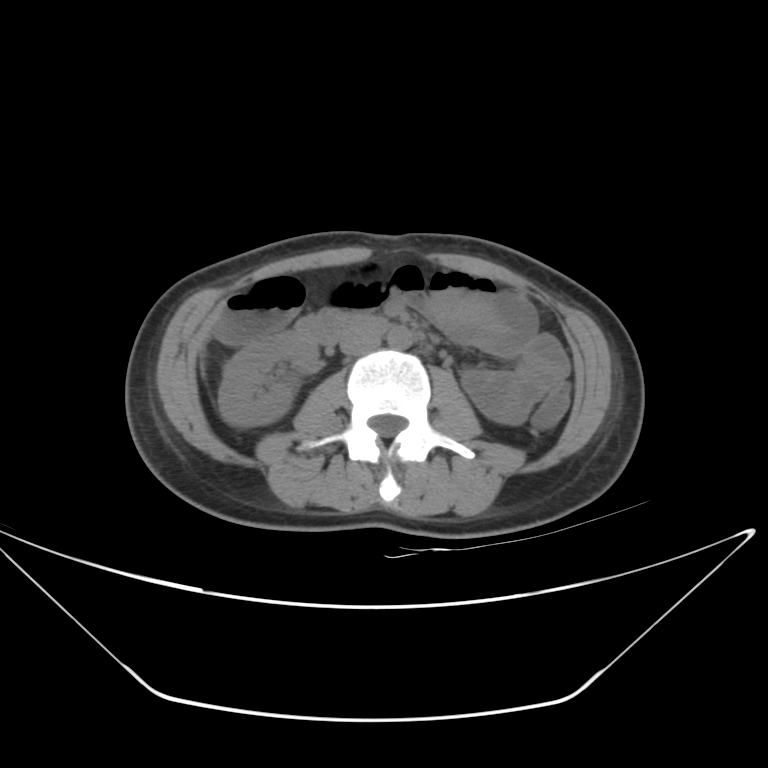
Abdominal CT · axial view · soft-tissue window (W 400 / L 40) · 768x768 px · 32-year-old female patient
{"organs":{"right kidney":[218,330,319,427],"aorta":[387,327,412,349],"inferior vena cava":[340,334,380,355],"duodenum":[298,312,386,342]}}